Abdominal CT — axial view — 512x512 px
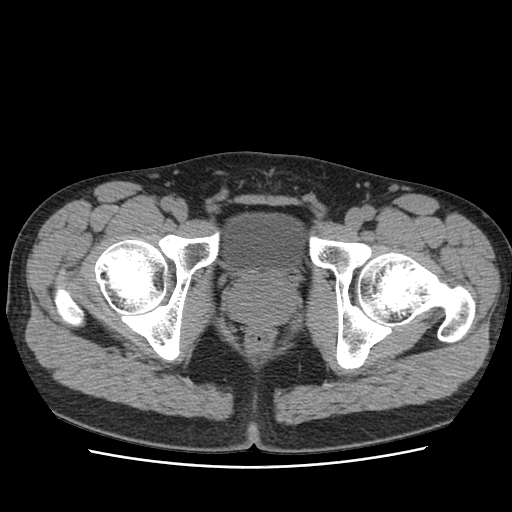

Boxes: x1:y1:x2:y2 in pixels.
Organ bounding boxes:
- bladder: 224:213:304:271
- prostate/uterus: 226:270:298:325